CT of the abdomen reaching into the lower chest, slice just above the liver and spleen. axial view. acquired on Aquilion ONE
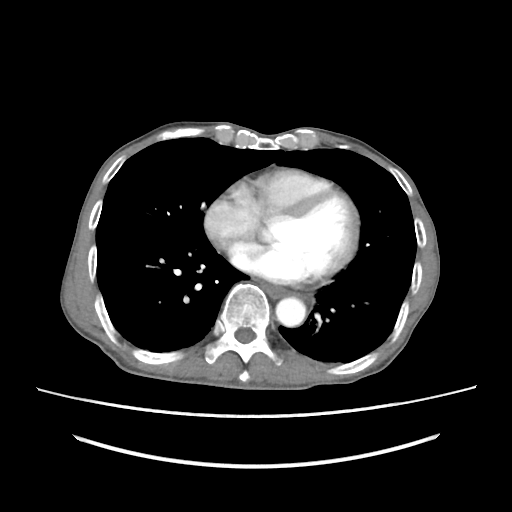 Of the structures in the chest, this dataset labels only the esophagus, the aorta and the inferior vena cava; the heart and lungs have no label. Coordinates as <box>x1,y1,x2,y2</box> in pixels. The annotated organs in this slice are: esophagus at <box>262,283,289,297</box>, aorta at <box>275,297,306,326</box>.